CT of the abdomen extending into the chest, slice through the chest; axial view; 512x512 px; 15 organs annotated in this scan (a whole-scan count: organs this slice does not pass through have no box)
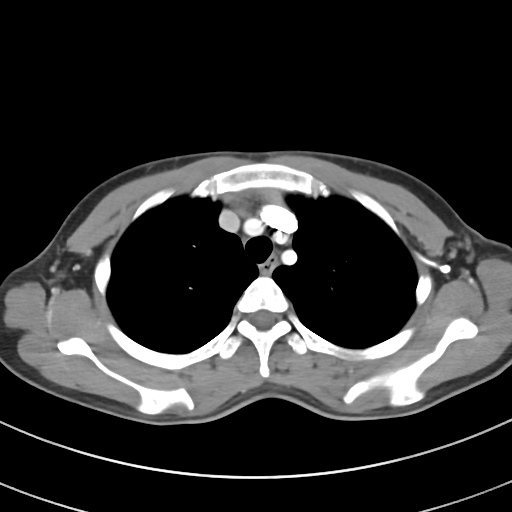

At this level of the chest no structure but the esophagus and the aorta has a label in this dataset, and those two are boxed only where they are labeled.
{"organs":{"esophagus":[260,256,277,273]}}